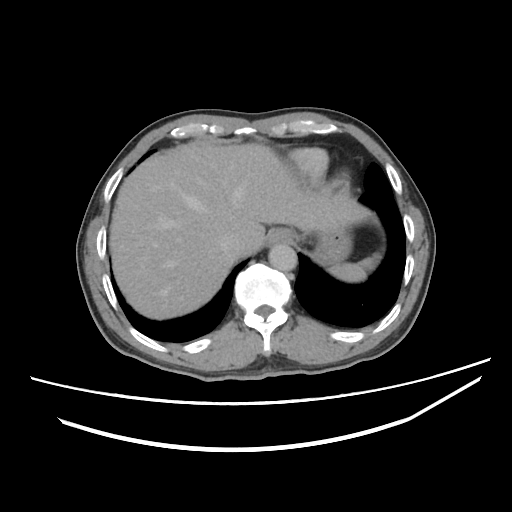
Computed tomography, abdomen · axial view · soft-tissue window · 512x512 px
Boxes are (x1, y1, x2, y2) in pixels.
Organ bounding boxes:
- aorta: (269, 243, 297, 272)
- esophagus: (266, 229, 289, 245)
- inferior vena cava: (216, 234, 246, 261)
- stomach: (315, 229, 351, 261)
- spleen: (324, 257, 373, 281)
- liver: (110, 144, 372, 320)